Abdominal CT — axial view — 768x768 px — scan has 15 labeled organs (that count is for the whole scan; organs this slice misses have no box)
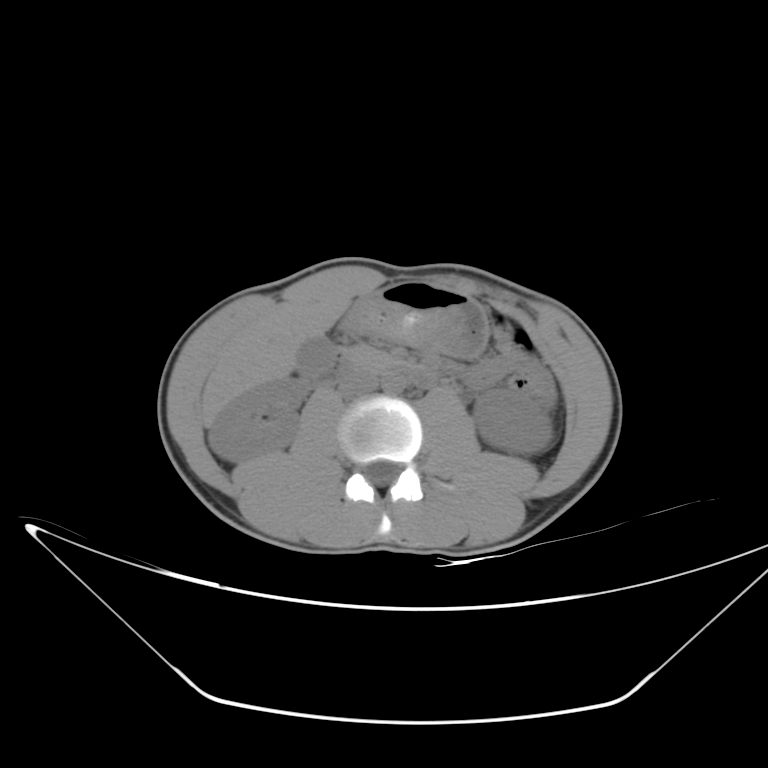

Bounding boxes as [x1, y1, x2, y2] in pixel coordinates.
right kidney: [208, 378, 307, 461]
left kidney: [473, 388, 552, 453]
gall bladder: [298, 336, 333, 367]
liver: [202, 287, 354, 423]
stomach: [344, 283, 489, 358]
aorta: [381, 371, 406, 393]
inferior vena cava: [339, 371, 377, 398]
pancreas: [341, 346, 395, 371]
duodenum: [303, 358, 437, 387]